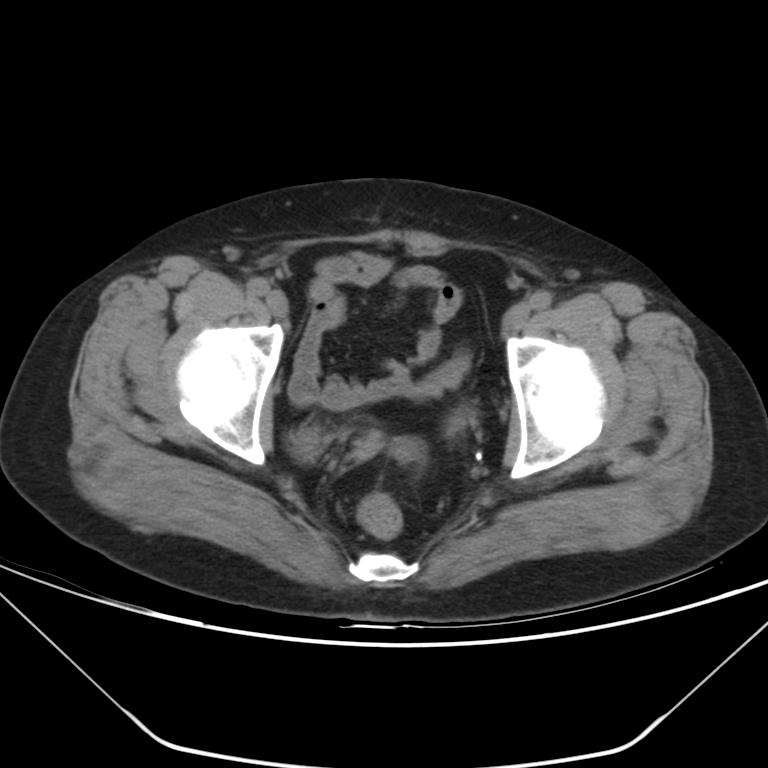
CT abdomen; axial plane, index 10; 768x768 px; 40-year-old male patient; 15 organs annotated in this scan (counted over the whole 3D scan, not this slice; an organ is boxed only where this slice passes through it)
Coordinates as <box>x1,y1,x2,y2</box> in pixels. Labeled organs on this slice: bladder at <box>293,429,315,448</box>.